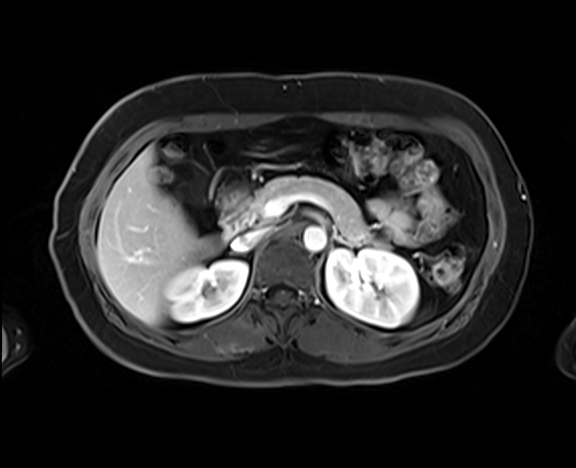
MRI, abdomen; axial plane, index 24; 1st–99th percentile window; 576x468 px; scan has 13 labeled organs (counted over the whole 3D scan, not this slice; an organ is boxed only where this slice passes through it)
{"organs":{"duodenum":[222,187,244,238],"right kidney":[165,260,247,321],"inferior vena cava":[232,227,270,250],"left kidney":[326,249,419,327],"gall bladder":[192,174,205,200],"pancreas":[243,176,379,244],"liver":[97,148,215,324],"left adrenal gland":[332,231,347,244],"aorta":[303,226,326,251]}}